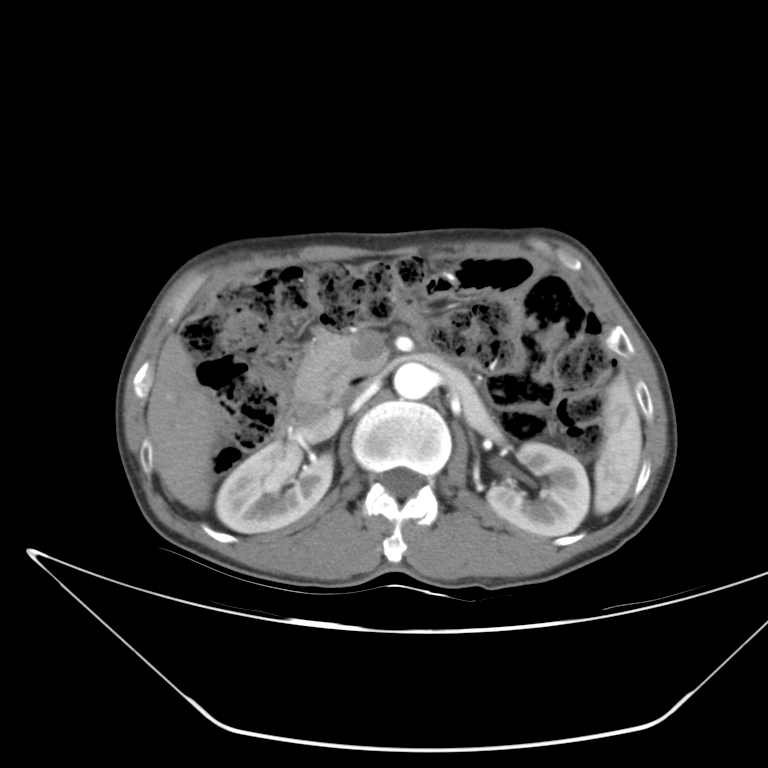
CT, abdomen/pelvis — axial plane, index 36 — 62-year-old male patient — Brilliance16 scanner — scan has 13 labeled organs (a whole-scan count: organs this slice does not pass through have no box)
Boxes are (x1, y1, x2, y2) in pixels. 8 labeled organs on this slice — spleen at (594, 374, 641, 514); right kidney at (215, 442, 333, 533); left kidney at (487, 442, 589, 536); liver at (147, 334, 217, 510); aorta at (394, 362, 431, 399); inferior vena cava at (340, 382, 365, 407); pancreas at (294, 332, 378, 405); duodenum at (279, 375, 366, 432).